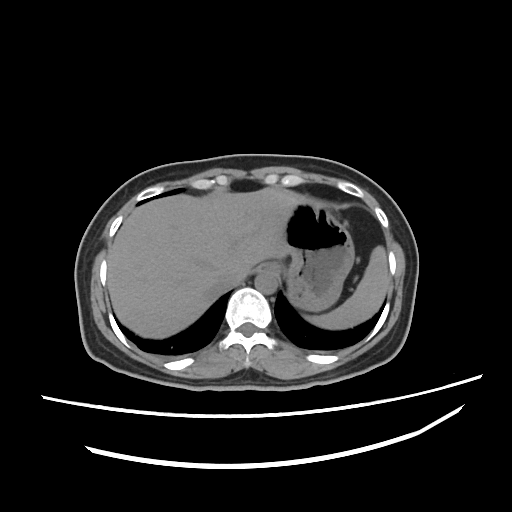 CT abdomen — axial view — W/L 400/40 HU — Aquilion ONE scanner
Boxes: x1 y1 x2 y2 (pixel coords, space-separated). 6 labeled organs on this slice — spleen at 303 246 388 329; esophagus at 254 263 280 275; liver at 107 184 298 337; stomach at 285 196 353 310; aorta at 255 273 278 293; inferior vena cava at 212 265 240 285.